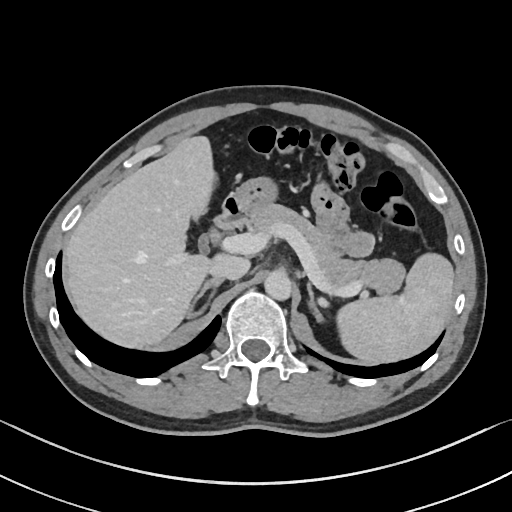

Abdominal CT · Axial slice 147/291 · 512x512 px
Boxes are (x1, y1, x2, y2) in pixels.
aorta: (264, 269, 291, 300)
right adrenal gland: (187, 279, 222, 318)
pancreas: (247, 203, 403, 292)
duodenum: (211, 195, 246, 240)
spleen: (336, 253, 453, 363)
stomach: (230, 177, 278, 218)
left adrenal gland: (307, 281, 322, 321)
liver: (64, 136, 216, 347)
inferior vena cava: (209, 255, 249, 280)